Computed tomography, abdomen; axial view; abdomen soft-tissue window
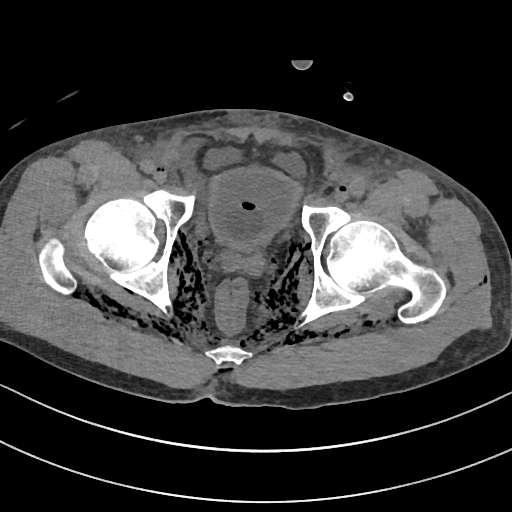

One row per box, in pixels: columns x1 and y1 give the top-left corner, x2 and y2 the bottom-right.
| organ | x1 | y1 | x2 | y2 |
|---|---|---|---|---|
| bladder | 208 | 166 | 300 | 248 |